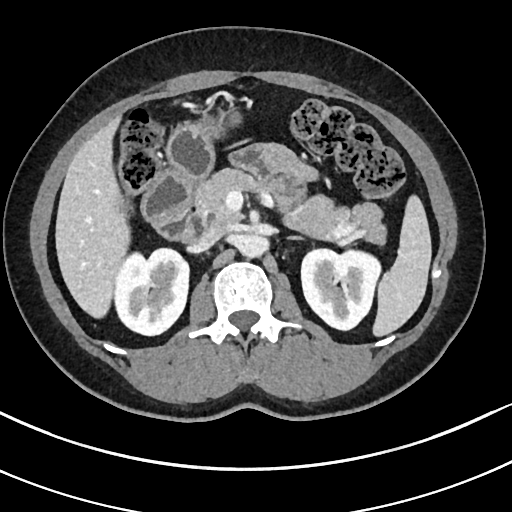 CT, abdomen/pelvis. axial plane, index 143. abdomen soft-tissue window
<organs><organ name="spleen" x1="372" y1="195" x2="432" y2="337"/><organ name="right kidney" x1="112" y1="249" x2="189" y2="334"/><organ name="left kidney" x1="301" y1="247" x2="380" y2="330"/><organ name="liver" x1="55" y1="114" x2="130" y2="318"/><organ name="stomach" x1="165" y1="112" x2="243" y2="180"/><organ name="aorta" x1="237" y1="234" x2="267" y2="258"/><organ name="inferior vena cava" x1="189" y1="224" x2="225" y2="253"/><organ name="pancreas" x1="196" y1="168" x2="386" y2="242"/><organ name="left adrenal gland" x1="287" y1="236" x2="306" y2="241"/><organ name="duodenum" x1="141" y1="167" x2="207" y2="243"/></organs>